CT, abdomen/pelvis. Axial slice 69/118
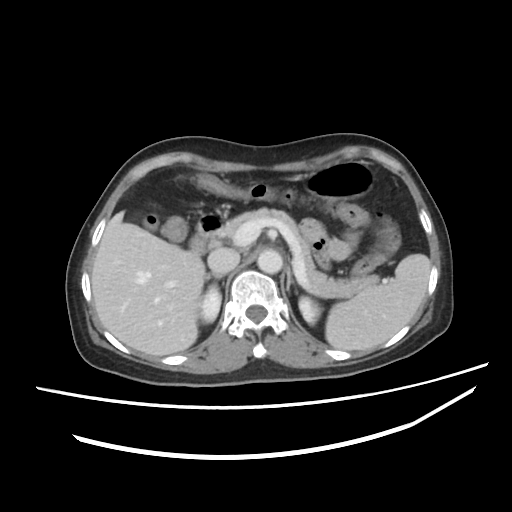 {"organs":{"left adrenal gland":[286,266,293,291],"right kidney":[199,285,221,323],"pancreas":[221,208,378,297],"aorta":[257,249,282,273],"liver":[91,211,205,355],"right adrenal gland":[206,272,222,279],"spleen":[325,254,430,351],"duodenum":[190,214,224,253],"inferior vena cava":[207,248,239,274],"stomach":[304,161,373,200],"left kidney":[298,296,321,324]}}